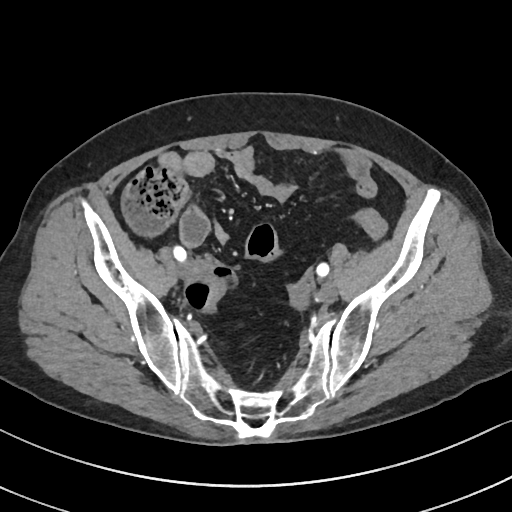
CT abdomen · axial view · soft-tissue window · 512x512 px · SOMATOM Force scanner · scan has 15 labeled organs (a whole-scan count: organs this slice does not pass through have no box)
Box edges are left/top/right/bottom in pixels.
Organ bounding boxes:
- prostate/uterus: left=289, top=287, right=307, bottom=307